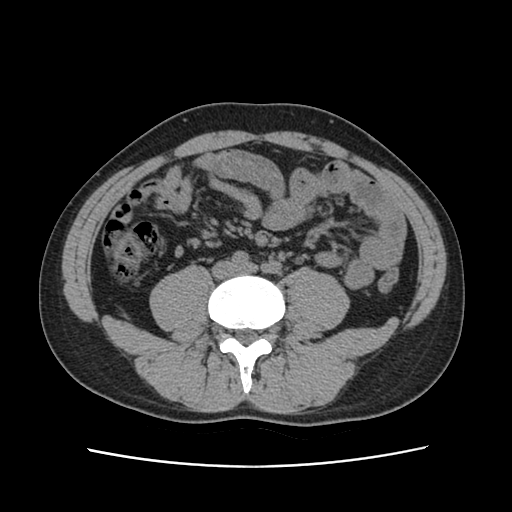

Computed tomography, abdomen · axial view · soft-tissue window (W 400 / L 40) · 512x512 px · scan has 15 labeled organs (a whole-scan count: organs this slice does not pass through have no box)
Boxes are (x1, y1, x2, y2) in pixels.
inferior vena cava: (212, 260, 245, 278)